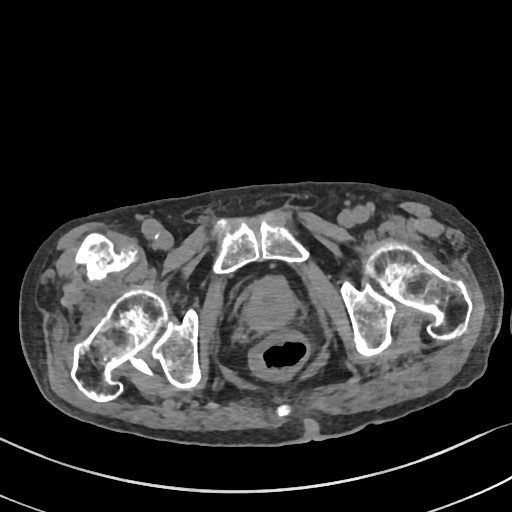
CT, abdomen/pelvis; axial view
Boxes: x1:y1:x2:y2 in pixels.
prostate/uterus: 243:277:295:331